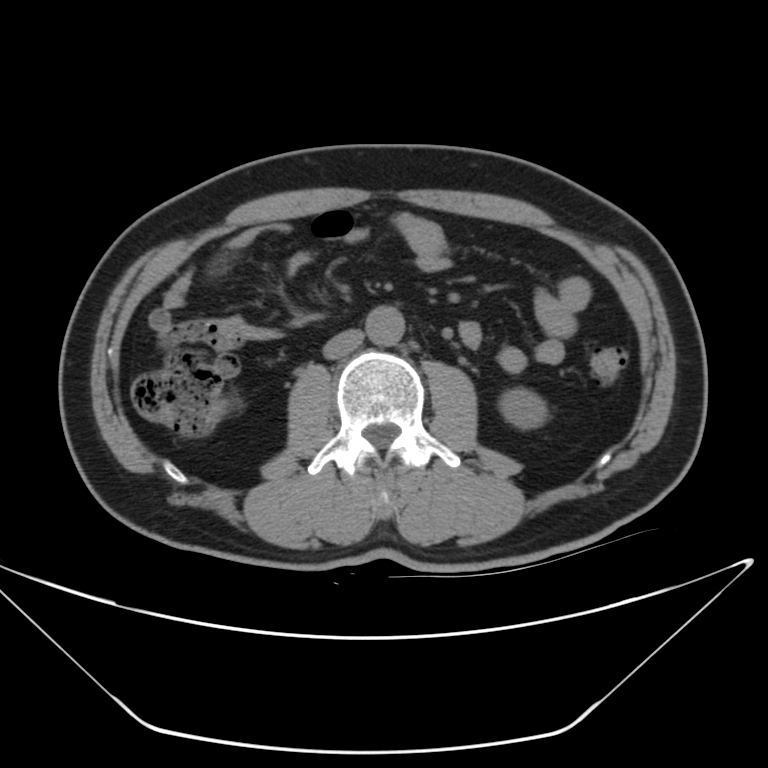 CT, abdomen/pelvis · axial view · 45-year-old male patient
Box edges are left/top/right/bottom in pixels.
aorta: left=366, top=305, right=405, bottom=344
left kidney: left=503, top=389, right=544, bottom=428
inferior vena cava: left=323, top=331, right=362, bottom=358